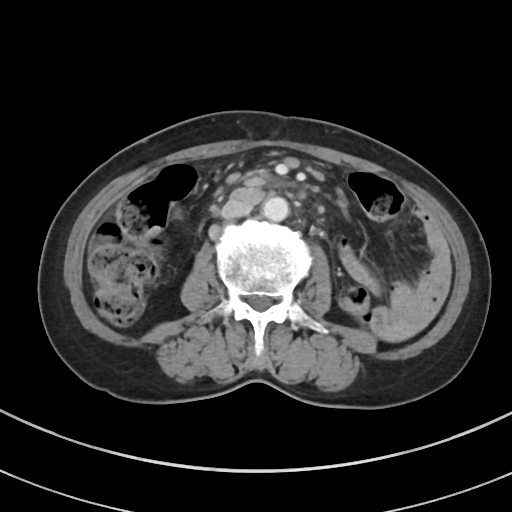 Computed tomography, abdomen; axial view; acquired on SOMATOM Force
Boxes: x1 y1 x2 y2 (pixel coords, space-separated). Labeled organs on this slice: aorta at 262 196 289 221, inferior vena cava at 221 200 252 219, duodenum at 240 169 269 181.